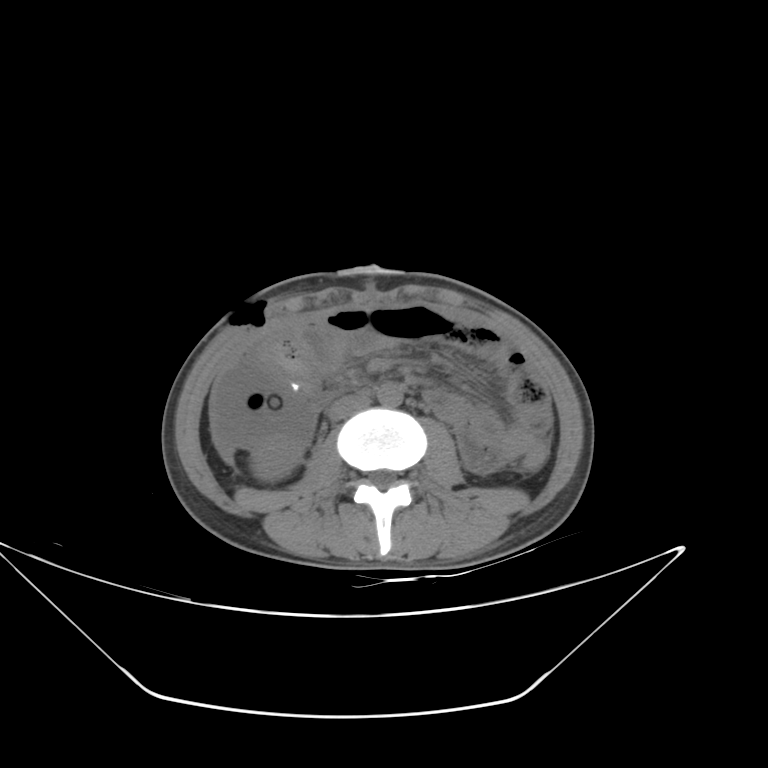 CT, abdomen/pelvis; axial view; soft-tissue window (W 400 / L 40); 768x768 px; 15 organs annotated in this scan (counted over the whole 3D scan, not this slice; an organ is boxed only where this slice passes through it)
{"organs":{"inferior vena cava":[328,394,370,421],"aorta":[377,383,402,407],"right kidney":[250,442,306,481]}}